Abdominal CT — axial view — 768x768 px — 66-year-old male patient
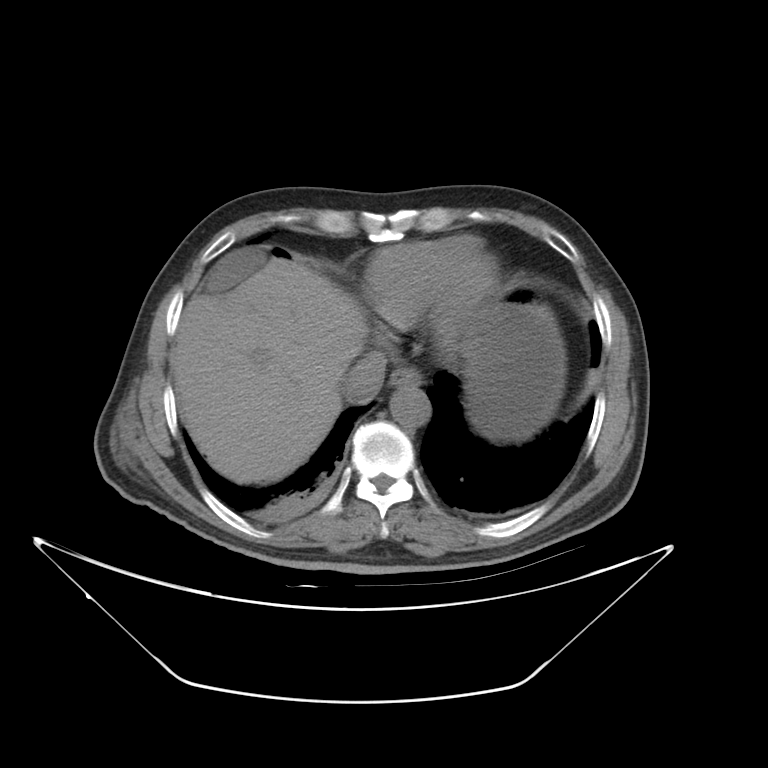
One row per box, in pixels: columns x1 and y1 give the top-left corner, x2 and y2 the bottom-right.
| organ | x1 | y1 | x2 | y2 |
|---|---|---|---|---|
| gall bladder | 207 | 250 | 265 | 295 |
| esophagus | 389 | 368 | 420 | 387 |
| liver | 170 | 257 | 362 | 484 |
| stomach | 462 | 287 | 565 | 440 |
| aorta | 388 | 386 | 432 | 423 |
| inferior vena cava | 344 | 349 | 387 | 402 |